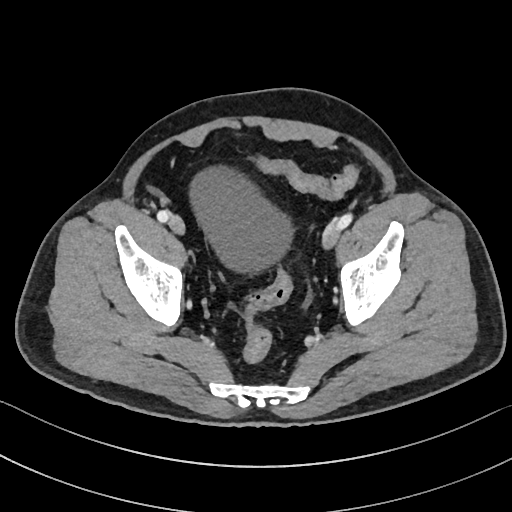

Abdominal CT — Axial slice 49/232 — soft-tissue window — 15 organs annotated in this scan (counted over the whole 3D scan, not this slice; an organ is boxed only where this slice passes through it)
Box edges are left/top/right/bottom in pixels.
Organ bounding boxes:
- bladder: left=189, top=166, right=292, bottom=271